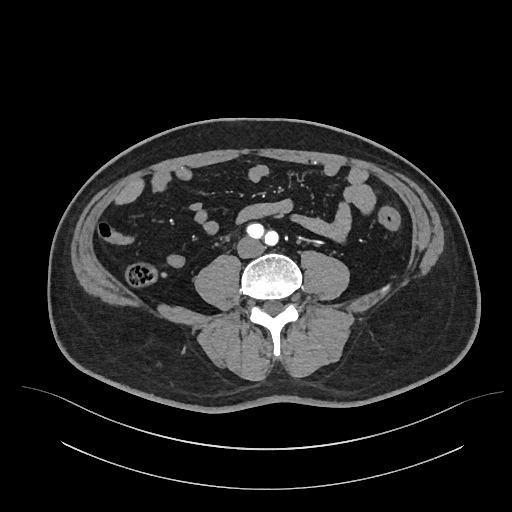
CT abdomen · axial view
Coordinates as <box>x1,y1,x2,y2</box> in pixels.
inferior vena cava: <box>237,237,264,258</box>